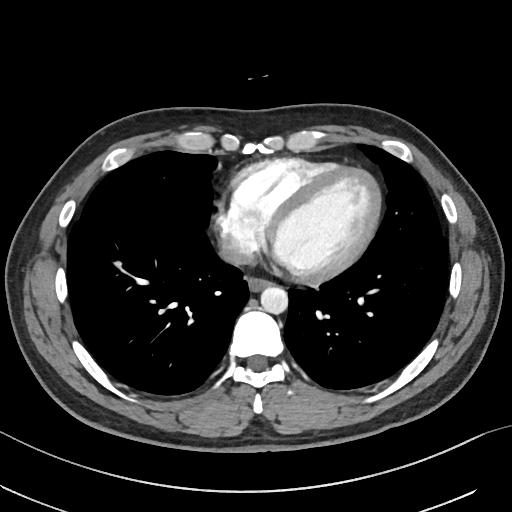

CT of the abdomen reaching into the lower chest, slice just above the liver and spleen — axial plane, index 212 — 15 organs annotated in this scan (that count is for the whole scan; organs this slice misses have no box)
The heart and lungs are never labeled in this dataset, so they have no box on this slice.
<organs><organ name="esophagus" x1="247" y1="278" x2="270" y2="292"/><organ name="aorta" x1="260" y1="286" x2="288" y2="314"/><organ name="inferior vena cava" x1="221" y1="240" x2="253" y2="264"/></organs>